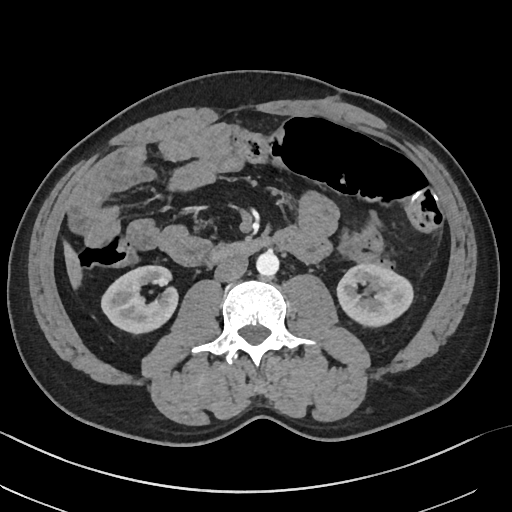

Computed tomography, abdomen · axial view · soft-tissue window (W 400 / L 40) · SOMATOM Force scanner
Boxes: x1:y1:x2:y2 in pixels. The annotated organs in this slice are: right kidney at 101:265:177:333, left kidney at 337:264:413:326, liver at 64:242:82:288, aorta at 256:251:279:276, inferior vena cava at 214:255:248:281, duodenum at 210:238:270:262.